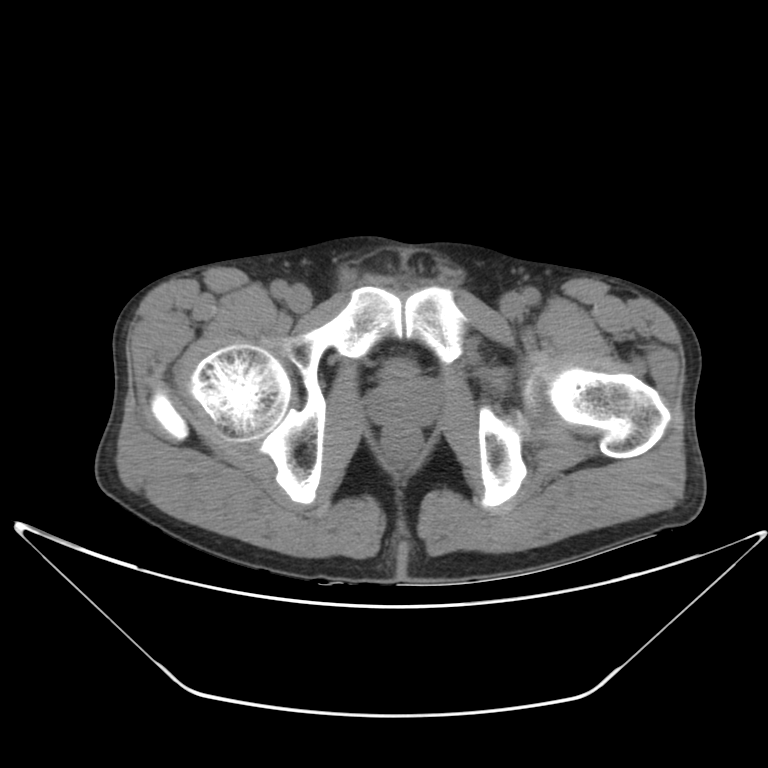 Computed tomography, abdomen — axial plane, index 11 — 768x768 px — scan has 15 labeled organs (counted over the whole 3D scan, not this slice; an organ is boxed only where this slice passes through it)
Boxes: x1 y1 x2 y2 (pixel coords, space-separated).
Organ bounding boxes:
- bladder: 380 360 415 378
- prostate/uterus: 369 381 439 427